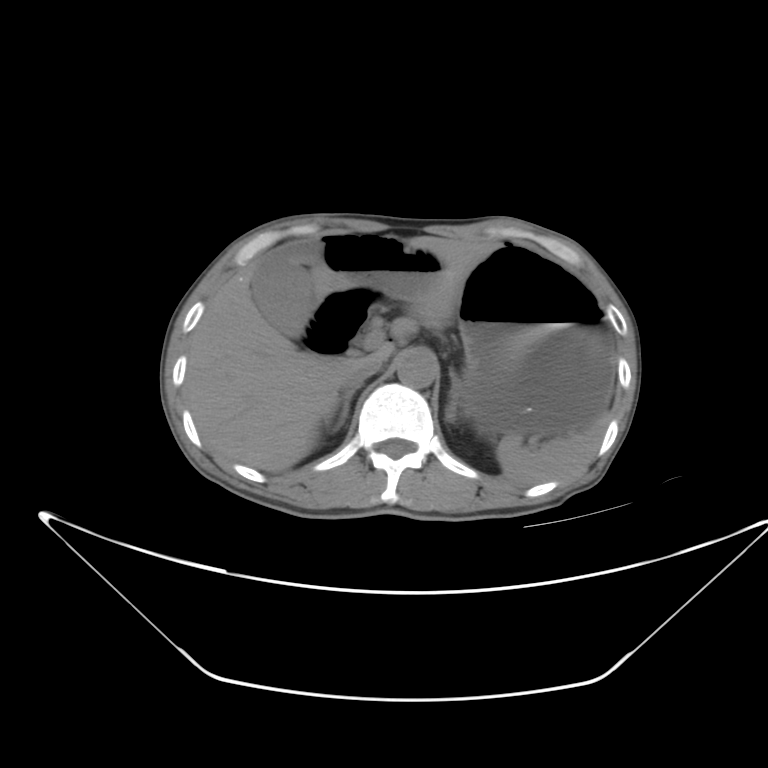
Abdominal CT. Axial slice 69/96. soft-tissue window. 768x768 px. 51-year-old male patient
{"organs":{"left adrenal gland":[446,371,463,419],"right adrenal gland":[324,396,350,426],"duodenum":[298,288,386,354],"spleen":[498,420,605,484],"inferior vena cava":[339,361,378,396],"liver":[188,234,499,471],"stomach":[455,242,616,436],"aorta":[396,350,438,386],"gall bladder":[253,241,323,335]}}